Computed tomography, abdomen — axial plane, index 26 — 512x512 px — Aquilion ONE scanner — scan has 13 labeled organs (that count is for the whole scan; organs this slice misses have no box)
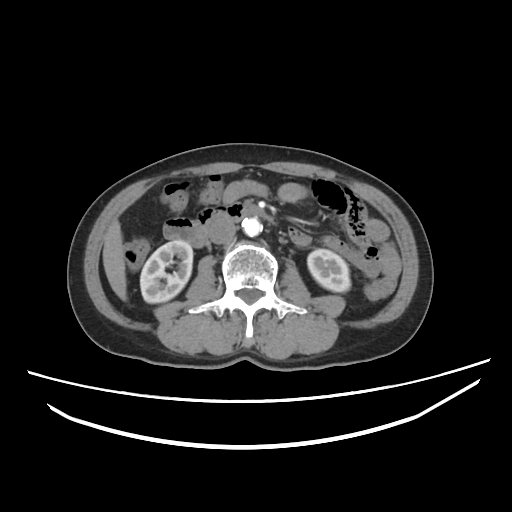
One row per box, in pixels: columns x1 and y1 give the top-left corner, x2 and y2 the bottom-right.
| organ | x1 | y1 | x2 | y2 |
|---|---|---|---|---|
| right kidney | 140 | 240 | 192 | 303 |
| left kidney | 307 | 249 | 350 | 292 |
| liver | 103 | 220 | 126 | 300 |
| aorta | 242 | 218 | 262 | 236 |
| inferior vena cava | 208 | 218 | 236 | 244 |
| duodenum | 163 | 204 | 272 | 247 |